CT abdomen; axial view; soft-tissue window (W 400 / L 40)
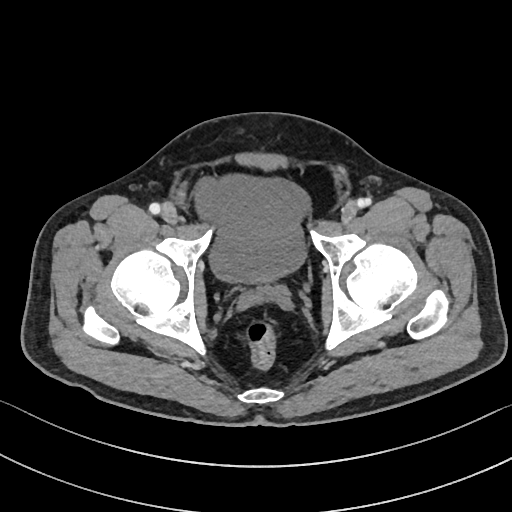 Boxes: x1 y1 x2 y2 (pixel coords, space-separated).
Organ bounding boxes:
- bladder: 195 175 311 283